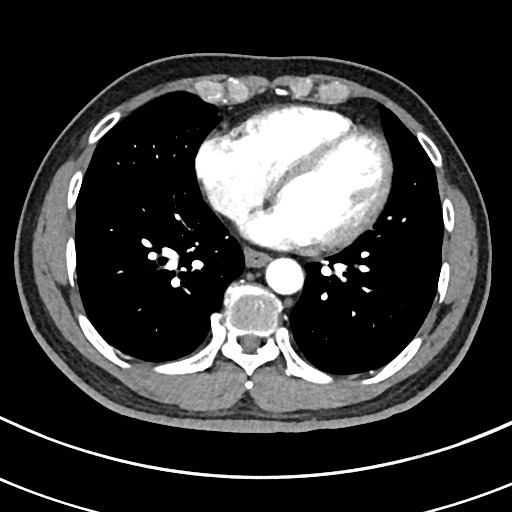
CT of the abdomen reaching into the lower chest, slice just above the liver and spleen; axial view; W/L 400/40 HU; 512x512 px
Of the structures in the chest, this dataset labels only the esophagus, the aorta and the inferior vena cava; the heart and lungs have no label.
{"organs":{"esophagus":[244,250,269,267],"aorta":[266,258,304,295]}}